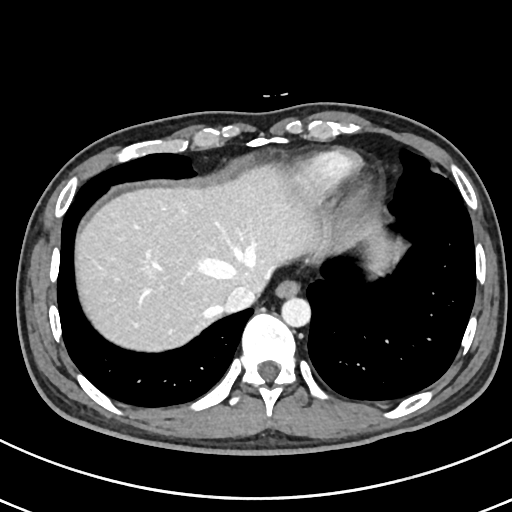
CT abdomen · axial plane, index 195 · W/L 400/40 HU · 512x512 px
Boxes are (x1, y1, x2, y2) in pixels. 4 labeled organs on this slice — esophagus at (275, 281, 299, 298); liver at (78, 164, 390, 350); aorta at (281, 297, 311, 327); inferior vena cava at (221, 284, 257, 311).